CT, abdomen/pelvis. axial plane, index 68. soft-tissue window (W 400 / L 40)
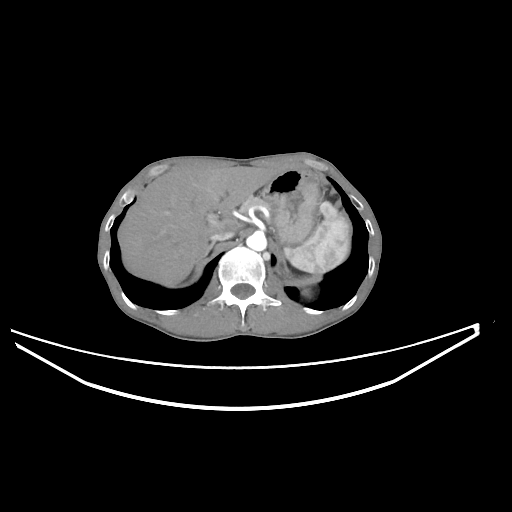
{"organs":{"stomach":[261,169,318,244],"spleen":[284,201,349,273],"pancreas":[241,196,264,210],"right adrenal gland":[195,242,214,262],"liver":[118,165,275,286],"aorta":[246,232,266,250],"left kidney":[294,279,312,297],"inferior vena cava":[209,229,235,241]}}